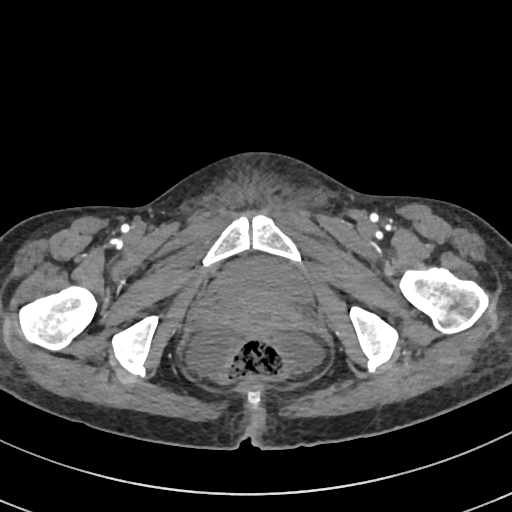

CT abdomen · Axial slice 12/237 · W/L 400/40 HU
One row per box, in pixels: columns x1 and y1 give the top-left corner, x2 and y2 the bottom-right.
| organ | x1 | y1 | x2 | y2 |
|---|---|---|---|---|
| bladder | 217 | 259 | 311 | 301 |